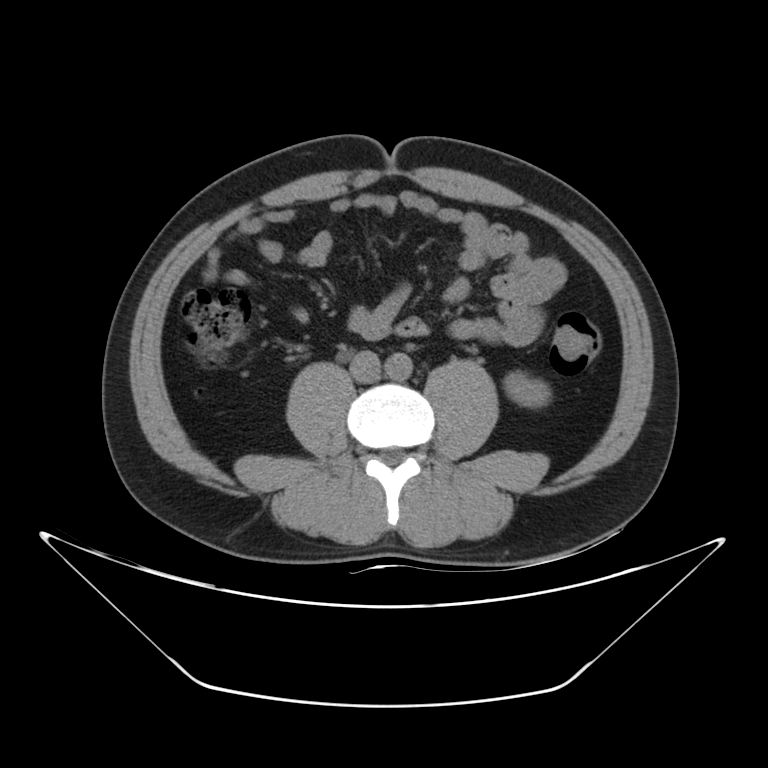 Computed tomography, abdomen. axial view. 768x768 px
Each box given as x1,y1,x2,y2.
Organ bounding boxes:
- inferior vena cava: x1=350, y1=350, x2=381, y2=382
- aorta: x1=385, y1=352, x2=412, y2=380
- left kidney: x1=504, y1=372, x2=551, y2=407